CT abdomen; axial view; W/L 400/40 HU; 768x768 px; 51-year-old male patient
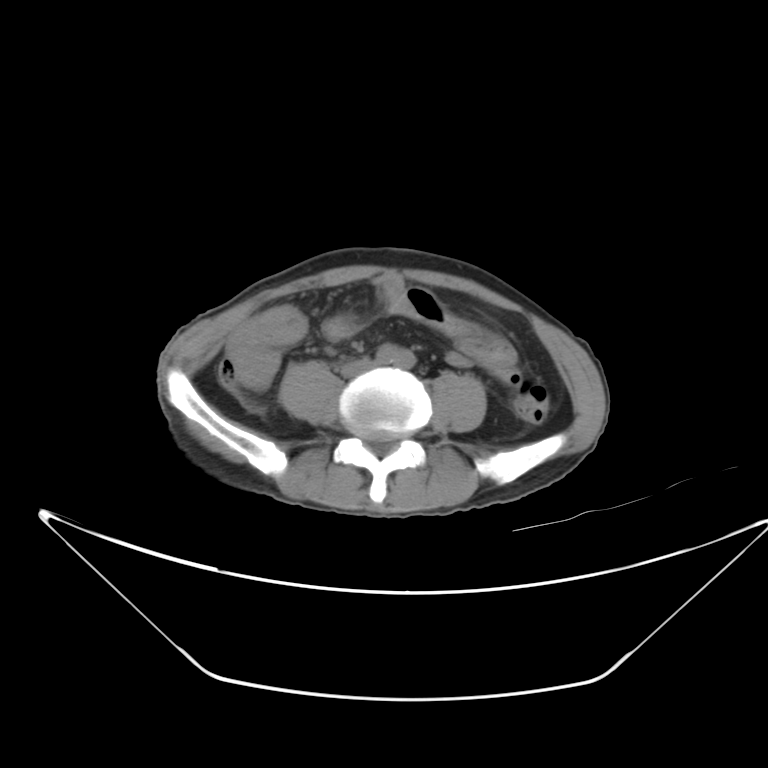

Organ boxes in pixel coordinates; each row gives the top-left (x1, y1) and bottom-right (x2, y2) corners.
| organ | x1 | y1 | x2 | y2 |
|---|---|---|---|---|
| inferior vena cava | 341 | 361 | 374 | 377 |